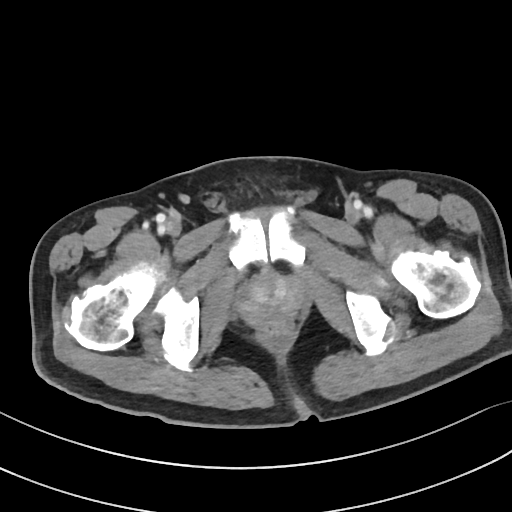

Abdominal CT — axial view — soft-tissue window
Boxes are (x1, y1, x2, y2) in pixels. 1 labeled organ on this slice — prostate/uterus at (240, 274, 301, 324).